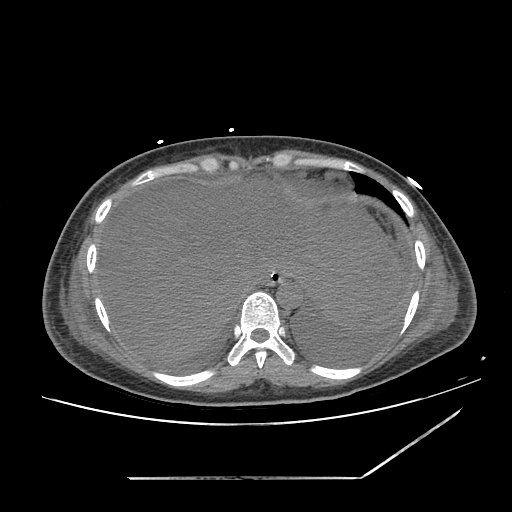

Computed tomography, abdomen — axial plane, index 161 — soft-tissue window — 512x512 px — scan has 15 labeled organs (that count is for the whole scan; organs this slice misses have no box)
<organs><organ name="aorta" x1="276" y1="281" x2="302" y2="307"/><organ name="liver" x1="98" y1="174" x2="401" y2="360"/><organ name="inferior vena cava" x1="229" y1="267" x2="261" y2="296"/><organ name="esophagus" x1="262" y1="270" x2="287" y2="285"/><organ name="stomach" x1="279" y1="281" x2="285" y2="284"/></organs>